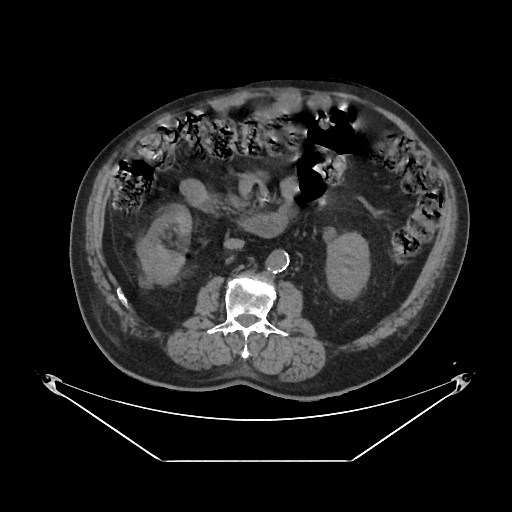
Abdominal CT — axial view
Coordinates as <box>x1,y1,x2,y2</box> in pixels. 6 labeled organs on this slice — inferior vena cava at <box>224,238,244,250</box>; aorta at <box>268,248,289,271</box>; right kidney at <box>138,208,190,281</box>; left kidney at <box>328,233,369,296</box>; pancreas at <box>228,206,230,208</box>; duodenum at <box>181,180,283,236</box>.